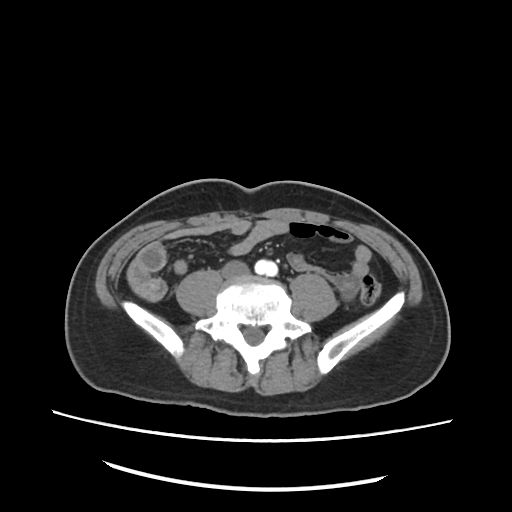

CT, abdomen/pelvis. Axial slice 44/98. 512x512 px
Bounding boxes in pixels, one row per box: x1, y1 is the top-left corner and x2, y2 the bottom-right.
| organ | x1 | y1 | x2 | y2 |
|---|---|---|---|---|
| aorta | 254 | 258 | 280 | 278 |
| inferior vena cava | 222 | 261 | 249 | 278 |